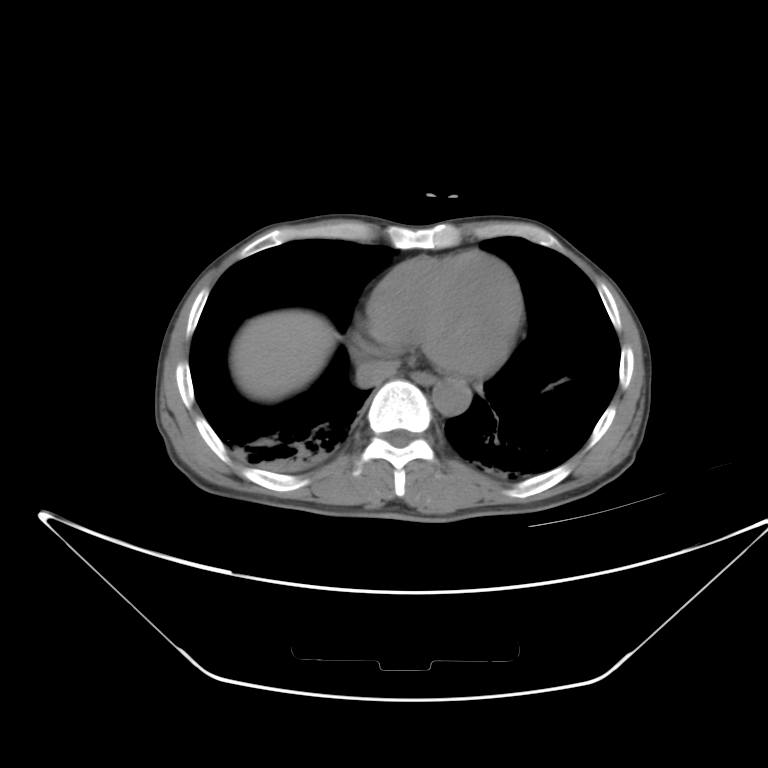
Computed tomography, abdomen · axial view · Brilliance16 scanner · scan has 15 labeled organs (counted over the whole 3D scan, not this slice; an organ is boxed only where this slice passes through it)
{"organs":{"esophagus":[412,373,436,383],"liver":[235,311,340,397],"aorta":[432,377,471,415],"inferior vena cava":[355,361,396,384]}}